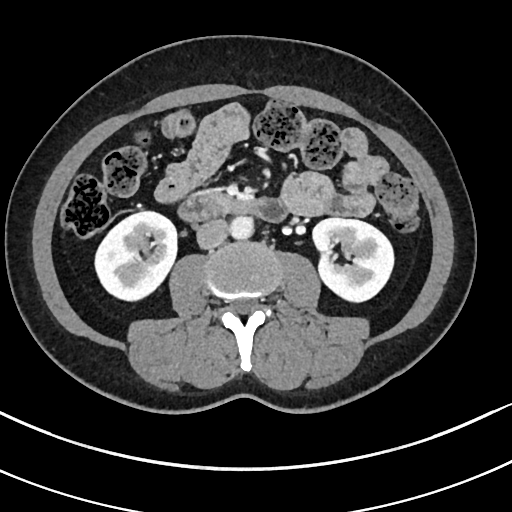
Abdominal CT; axial view; W/L 400/40 HU; scan has 15 labeled organs (counted over the whole 3D scan, not this slice; an organ is boxed only where this slice passes through it)
{"organs":{"right kidney":[94,212,176,302],"left kidney":[311,218,394,303],"aorta":[229,216,253,240],"inferior vena cava":[196,218,228,249],"pancreas":[208,192,224,199],"duodenum":[177,192,288,223]}}